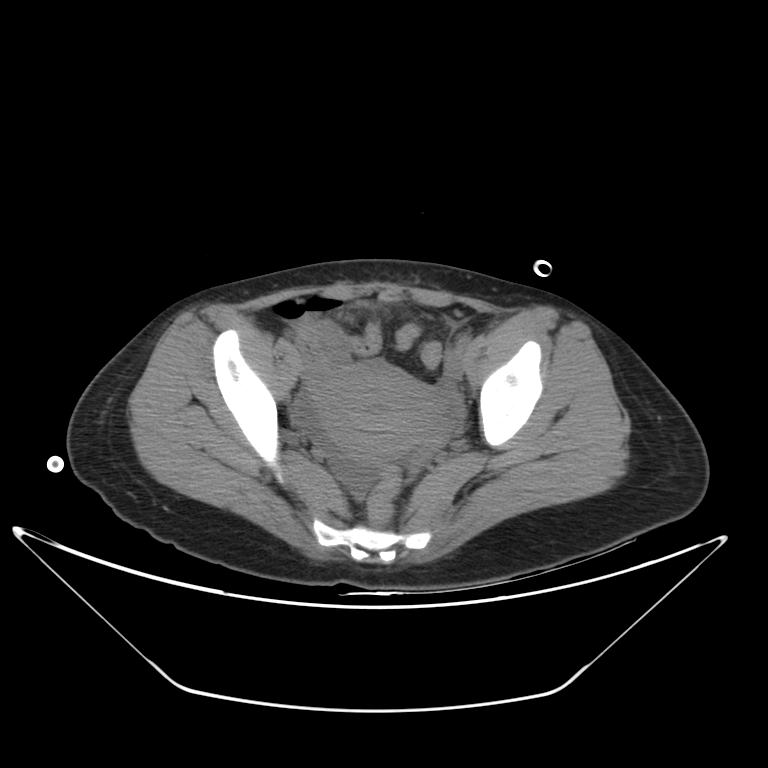
CT, abdomen/pelvis — axial view — W/L 400/40 HU — 768x768 px
Boxes are (x1, y1, x2, y2) in pixels.
Organ bounding boxes:
- prostate/uterus: (313, 361, 435, 465)